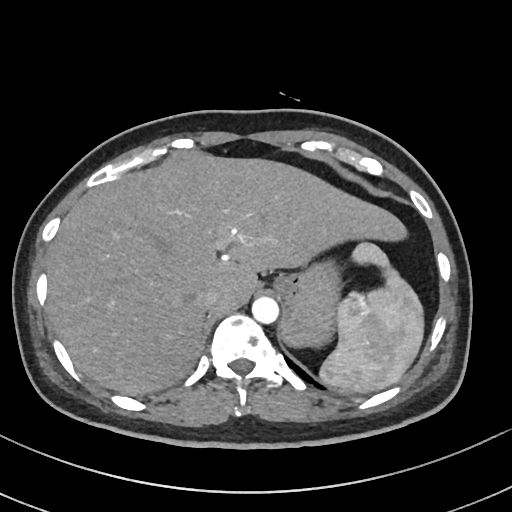

Computed tomography, abdomen. axial plane, index 168
<organs><organ name="inferior vena cava" x1="194" y1="287" x2="219" y2="309"/><organ name="aorta" x1="252" y1="297" x2="279" y2="324"/><organ name="stomach" x1="270" y1="263" x2="338" y2="346"/><organ name="spleen" x1="320" y1="242" x2="425" y2="390"/><organ name="liver" x1="46" y1="152" x2="403" y2="393"/></organs>